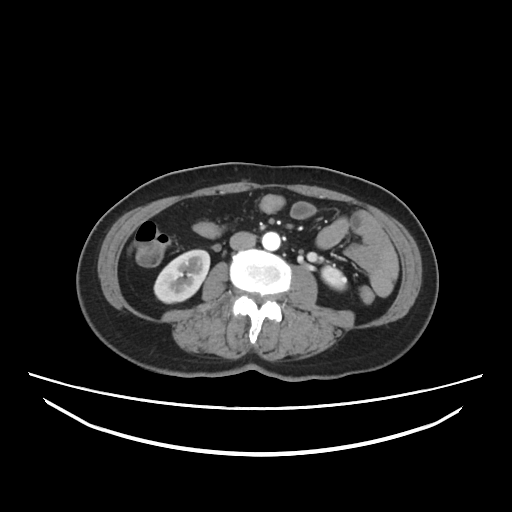

Abdominal CT · axial plane, index 41 · 512x512 px · 62-year-old female patient
Boxes are (x1, y1, x2, y2) in pixels. The annotated organs in this slice are: aorta at (262, 233, 280, 251), inferior vena cava at (229, 231, 256, 251), left kidney at (322, 266, 347, 289), right kidney at (153, 248, 210, 303).